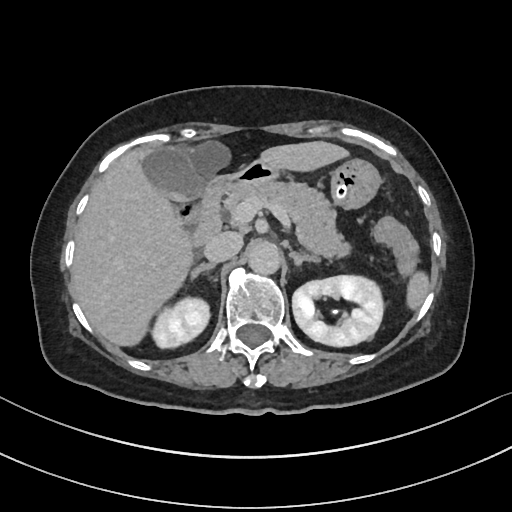

CT, abdomen/pelvis · Axial slice 160/212 · abdomen soft-tissue window
Boxes: x1:y1:x2:y2 in pixels. 12 labeled organs on this slice — spleen at 408:272:428:309; right kidney at 153:299:210:349; left kidney at 293:274:385:347; gall bladder at 141:150:201:202; liver at 71:141:347:345; stomach at 331:158:380:207; aorta at 247:241:279:273; inferior vena cava at 203:231:243:262; pancreas at 220:181:347:258; right adrenal gland at 190:262:214:278; left adrenal gland at 290:248:322:263; duodenum at 186:159:280:247.